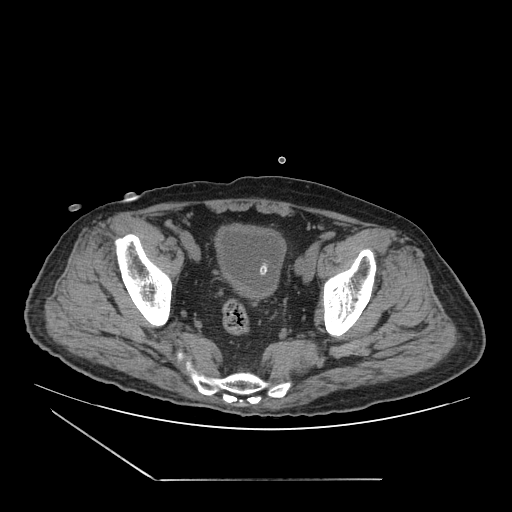 CT, abdomen/pelvis; axial plane, index 38; abdomen soft-tissue window; 512x512 px; scan has 15 labeled organs (that count is for the whole scan; organs this slice misses have no box)
<organs><organ name="bladder" x1="215" y1="224" x2="286" y2="298"/></organs>